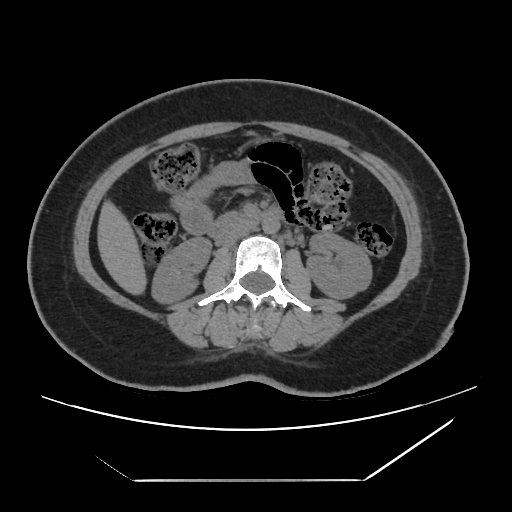 CT abdomen. axial view. abdomen soft-tissue window. 512x512 px
{"organs":{"right kidney":[151,237,210,302],"left kidney":[307,232,372,298],"liver":[98,202,146,294],"aorta":[262,216,280,233],"inferior vena cava":[218,227,251,246],"duodenum":[208,208,280,241]}}